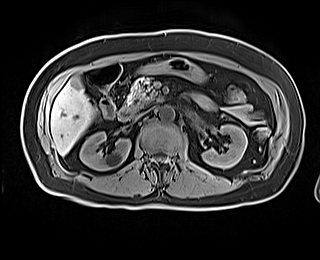
Abdominal MR — axial view
Organ boxes in pixel coordinates; each row gives the top-left (x1, y1) and bottom-right (x2, y2) corners.
| organ | x1 | y1 | x2 | y2 |
|---|---|---|---|---|
| right kidney | 80 | 131 | 130 | 170 |
| left kidney | 202 | 124 | 247 | 168 |
| liver | 50 | 77 | 94 | 155 |
| stomach | 137 | 58 | 207 | 83 |
| aorta | 159 | 106 | 174 | 121 |
| inferior vena cava | 134 | 110 | 148 | 119 |
| pancreas | 127 | 76 | 158 | 109 |
| duodenum | 118 | 107 | 135 | 121 |